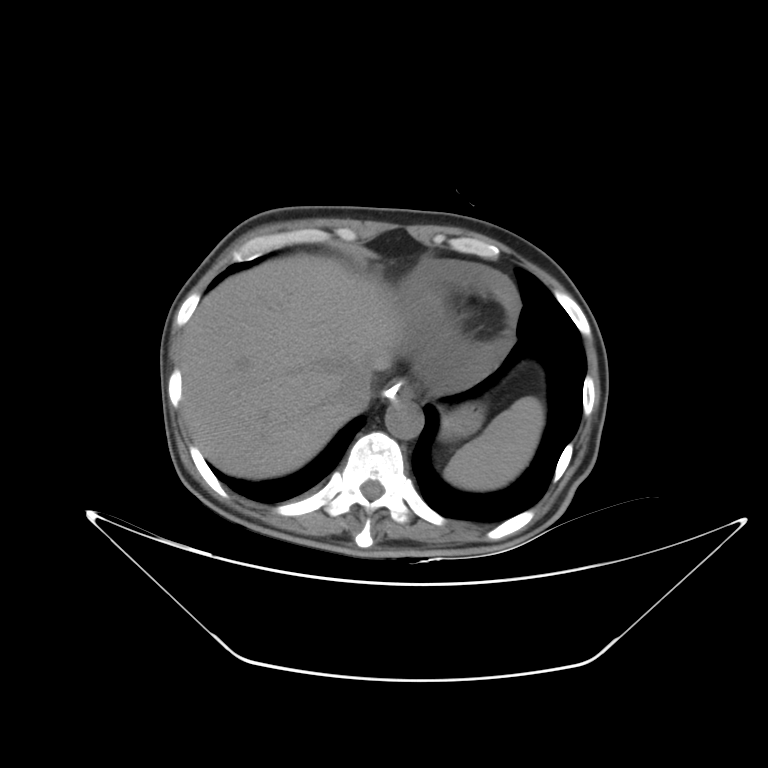

CT abdomen. Axial slice 87/101. 768x768 px. scan has 15 labeled organs (that count is for the whole scan; organs this slice misses have no box)
<organs><organ name="spleen" x1="444" y1="396" x2="543" y2="490"/><organ name="esophagus" x1="386" y1="381" x2="412" y2="401"/><organ name="liver" x1="180" y1="254" x2="402" y2="479"/><organ name="stomach" x1="443" y1="404" x2="483" y2="437"/><organ name="aorta" x1="385" y1="400" x2="423" y2="439"/><organ name="inferior vena cava" x1="333" y1="368" x2="371" y2="414"/></organs>